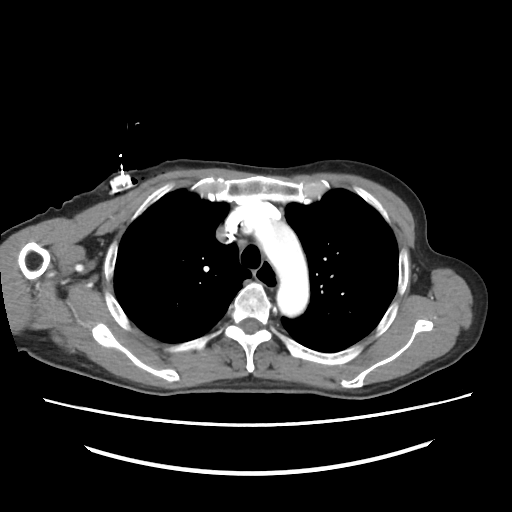

Chest-level CT slice, above the liver and spleen; axial plane, index 118; Aquilion ONE scanner; 14 organs annotated in this scan (that count is for the whole scan; organs this slice misses have no box)
On a slice this high in the chest, this dataset labels only the esophagus and the aorta, and each is boxed only where it is labeled; the heart, lungs and other chest structures are not labeled.
<organs><organ name="esophagus" x1="254" y1="259" x2="277" y2="287"/><organ name="aorta" x1="255" y1="223" x2="310" y2="315"/></organs>